Abdominal CT — axial view
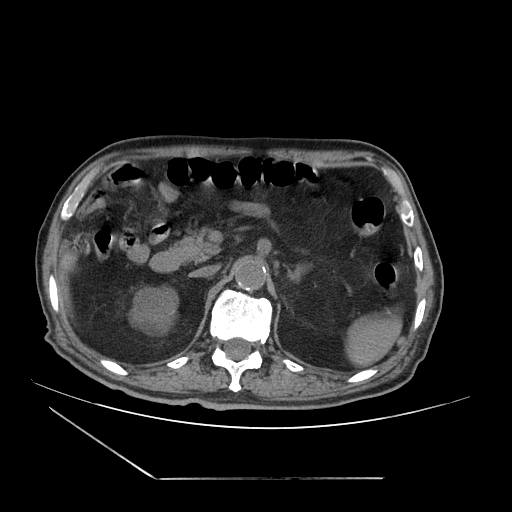

Organ boxes in pixel coordinates; each row gives the top-left (x1, y1) and bottom-right (x2, y2) corners.
| organ | x1 | y1 | x2 | y2 |
|---|---|---|---|---|
| spleen | 346 | 317 | 403 | 364 |
| right kidney | 133 | 286 | 178 | 331 |
| liver | 58 | 269 | 71 | 308 |
| aorta | 234 | 258 | 266 | 291 |
| inferior vena cava | 189 | 265 | 219 | 277 |
| pancreas | 172 | 227 | 220 | 262 |
| left adrenal gland | 287 | 267 | 304 | 280 |
| duodenum | 150 | 250 | 181 | 272 |